Computed tomography, abdomen — Axial slice 134/173 — 512x512 px
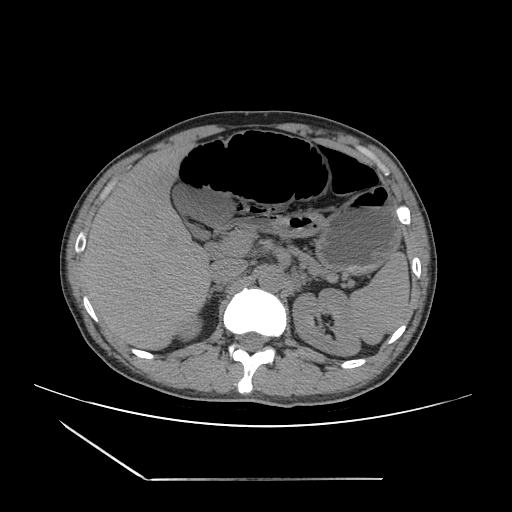

Coordinates as <box>x1,y1,x2,y2</box> in pixels. Labeled organs on this slice: spleen at <box>349,251,409,344</box>, right kidney at <box>178,316,202,340</box>, left kidney at <box>293,288,360,356</box>, gall bladder at <box>172,184,233,239</box>, liver at <box>81,143,211,350</box>, stomach at <box>274,186,400,272</box>, aorta at <box>258,266,286,292</box>, inferior vena cava at <box>210,258,247,283</box>, pancreas at <box>296,251,329,275</box>, right adrenal gland at <box>207,285,223,299</box>, left adrenal gland at <box>299,273,318,285</box>, duodenum at <box>209,216,274,248</box>.